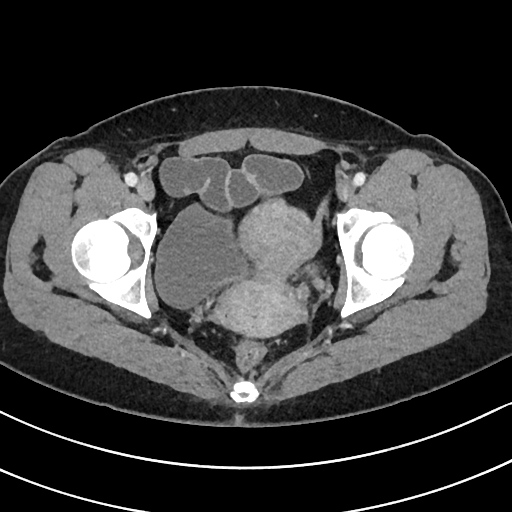

CT, abdomen/pelvis; axial view
Bounding boxes in pixels, one row per box: x1, y1 is the top-left corner and x2, y2 the bottom-right.
| organ | x1 | y1 | x2 | y2 |
|---|---|---|---|---|
| bladder | 155 | 205 | 245 | 307 |
| prostate/uterus | 216 | 199 | 318 | 337 |